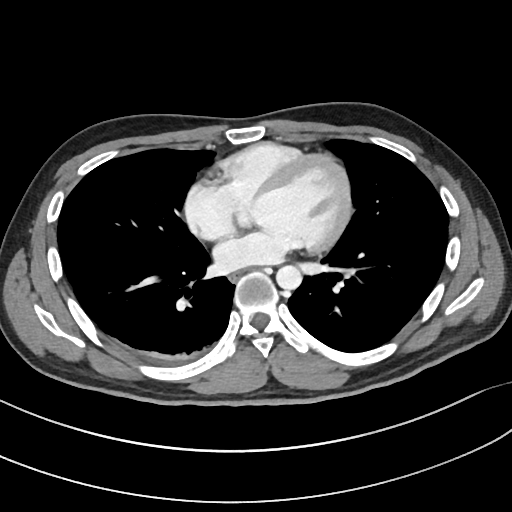

CT of the abdomen reaching into the lower chest, slice just above the liver and spleen — Axial slice 245/251 — W/L 400/40 HU
The heart and lungs are never labeled in this dataset, so they have no box on this slice.
<organs><organ name="esophagus" x1="230" y1="273" x2="240" y2="282"/><organ name="aorta" x1="276" y1="265" x2="302" y2="290"/></organs>